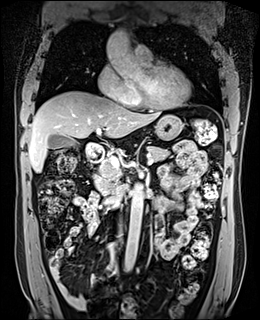

Abdominal MR. coronal acquisition. percentile-normalized. 260x320 px
Bounding boxes in pixels, one row per box: x1, y1 is the top-left corner and x2, y2 the bottom-right.
| organ | x1 | y1 | x2 | y2 |
|---|---|---|---|---|
| pancreas | 95 | 146 | 170 | 194 |
| duodenum | 85 | 142 | 127 | 204 |
| gall bladder | 48 | 134 | 78 | 148 |
| aorta | 105 | 30 | 147 | 82 |
| aorta | 125 | 184 | 144 | 270 |
| stomach | 155 | 114 | 182 | 140 |
| inferior vena cava | 118 | 225 | 122 | 239 |
| liver | 28 | 91 | 161 | 172 |